CT abdomen · axial view
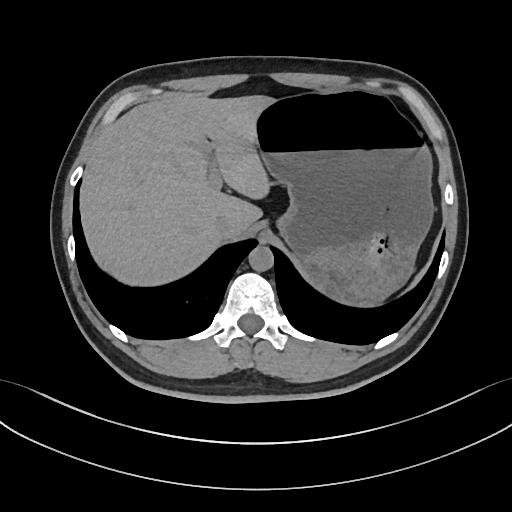
Boxes: x1 y1 x2 y2 (pixel coords, space-separated). Labeled organs on this slice: liver at 81 95 275 287, stomach at 256 89 433 304, aorta at 248 246 273 271, inferior vena cava at 213 214 229 237.